Abdominal CT; this slice is in the lower chest, just above the liver; axial view
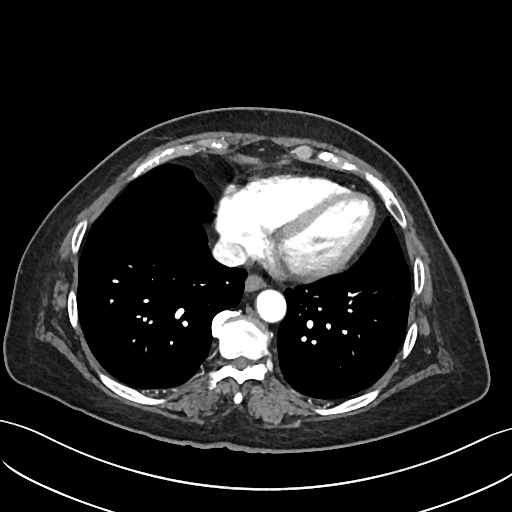
The heart and lungs are never labeled in this dataset, so they have no box on this slice.
Bounding boxes in pixels, one row per box: x1, y1 is the top-left corner and x2, y2 the bottom-right.
| organ | x1 | y1 | x2 | y2 |
|---|---|---|---|---|
| esophagus | 245 | 274 | 265 | 291 |
| inferior vena cava | 212 | 238 | 246 | 266 |
| aorta | 256 | 289 | 286 | 322 |